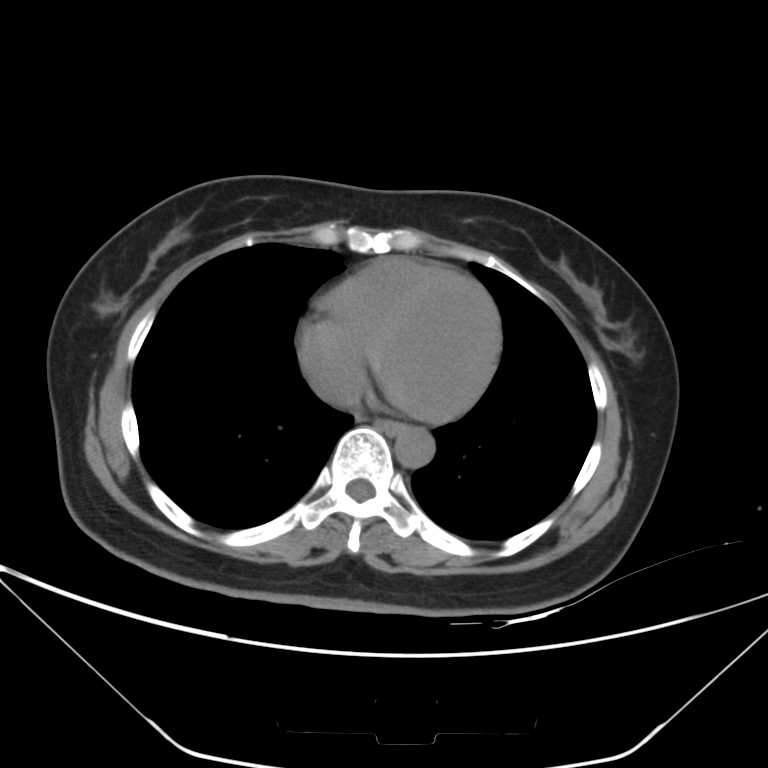 CT of the abdomen reaching into the lower chest, slice just above the liver and spleen. axial plane, index 84. soft-tissue window
The heart and lungs are never labeled in this dataset, so they have no box on this slice.
Boxes: x1 y1 x2 y2 (pixel coords, space-separated).
inferior vena cava: 316 365 363 407
esophagus: 375 419 403 435
aorta: 395 426 435 468